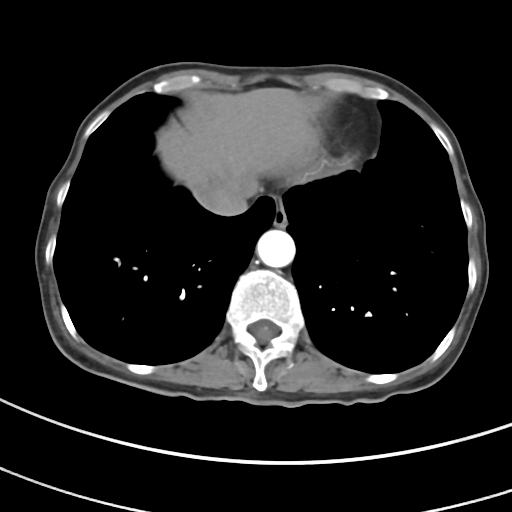
CT, abdomen/pelvis — Axial slice 74/118 — soft-tissue window (W 400 / L 40) — 15 organs annotated in this scan (counted over the whole 3D scan, not this slice; an organ is boxed only where this slice passes through it)
Bounding boxes as [x1, y1, x2, y2] in pixel coordinates. Labeled organs on this slice: esophagus at [272, 197, 287, 227], liver at [157, 88, 320, 192], aorta at [257, 229, 295, 267], inferior vena cava at [194, 179, 255, 216].